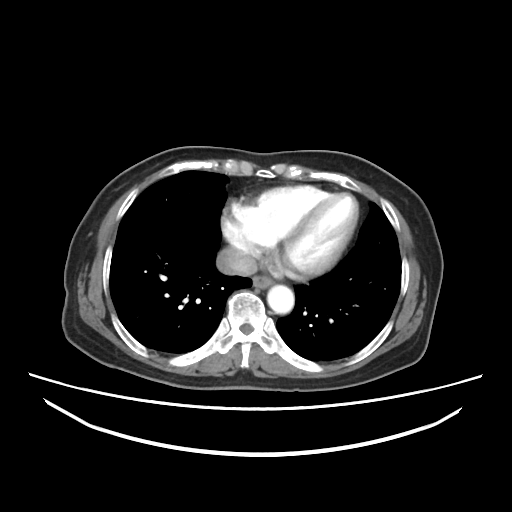
Lower-chest slice from an abdominal CT, just above the liver and spleen; Axial slice 79/80; soft-tissue window (W 400 / L 40); 512x512 px; acquired on Aquilion ONE
The heart and lungs are never labeled in this dataset, so they have no box on this slice.
Organ boxes in pixel coordinates; each row gives the top-left (x1, y1) and bottom-right (x2, y2) corners.
| organ | x1 | y1 | x2 | y2 |
|---|---|---|---|---|
| esophagus | 253 | 275 | 273 | 289 |
| aorta | 267 | 285 | 294 | 314 |
| inferior vena cava | 216 | 247 | 257 | 275 |